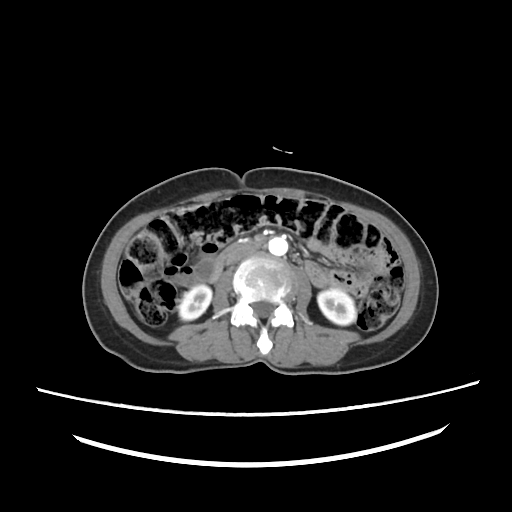 Computed tomography, abdomen · axial view · acquired on Aquilion ONE
{"organs":{"left kidney":[317,288,357,325],"duodenum":[208,241,262,281],"right kidney":[178,284,212,319],"aorta":[268,236,289,256],"inferior vena cava":[224,246,256,266]}}